CT abdomen. axial view. W/L 400/40 HU
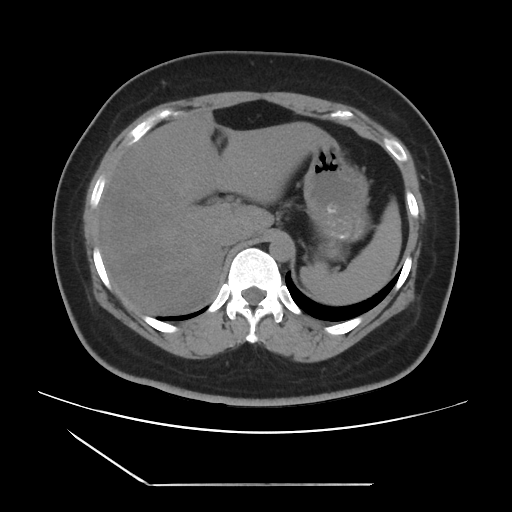

Each box given as x1,y1,x2,y2.
spleen: x1=300, y1=203, x2=401, y2=305
liver: x1=98, y1=110, x2=329, y2=315
stomach: x1=303, y1=139, x2=369, y2=260
aorta: x1=269, y1=235, x2=293, y2=261
inferior vena cava: x1=218, y1=225, x2=245, y2=246